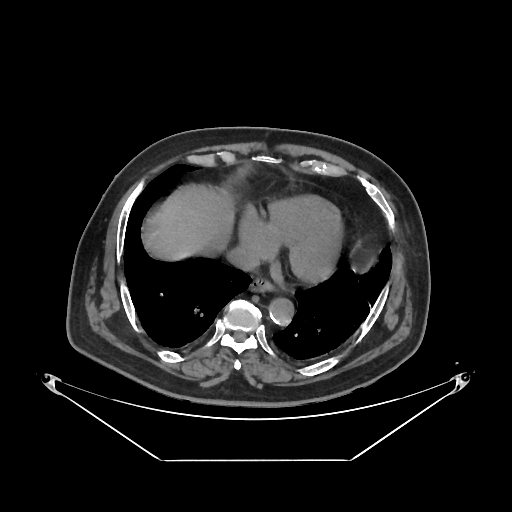

CT, abdomen/pelvis. axial view. acquired on SOMATOM Force
<organs><organ name="esophagus" x1="249" y1="279" x2="273" y2="293"/><organ name="liver" x1="156" y1="185" x2="232" y2="258"/><organ name="aorta" x1="269" y1="298" x2="293" y2="325"/><organ name="inferior vena cava" x1="228" y1="248" x2="258" y2="270"/></organs>